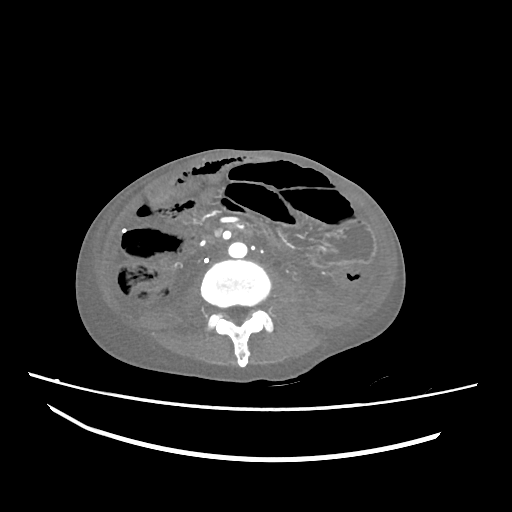

CT, abdomen/pelvis. axial view. soft-tissue window (W 400 / L 40). 47-year-old male patient. acquired on Aquilion ONE
Boxes: x1:y1:x2:y2 in pixels.
aorta: 228:242:247:258
inferior vena cava: 211:251:227:261